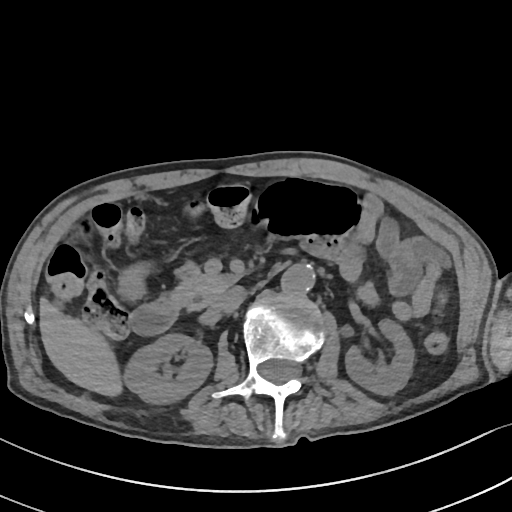 Computed tomography, abdomen; Axial slice 131/208
<organs><organ name="left kidney" x1="345" y1="318" x2="414" y2="395"/><organ name="inferior vena cava" x1="208" y1="287" x2="242" y2="316"/><organ name="aorta" x1="279" y1="265" x2="313" y2="296"/><organ name="pancreas" x1="171" y1="262" x2="237" y2="310"/><organ name="liver" x1="39" y1="296" x2="120" y2="397"/><organ name="duodenum" x1="131" y1="297" x2="179" y2="334"/><organ name="stomach" x1="117" y1="265" x2="149" y2="299"/><organ name="right kidney" x1="126" y1="334" x2="212" y2="404"/></organs>